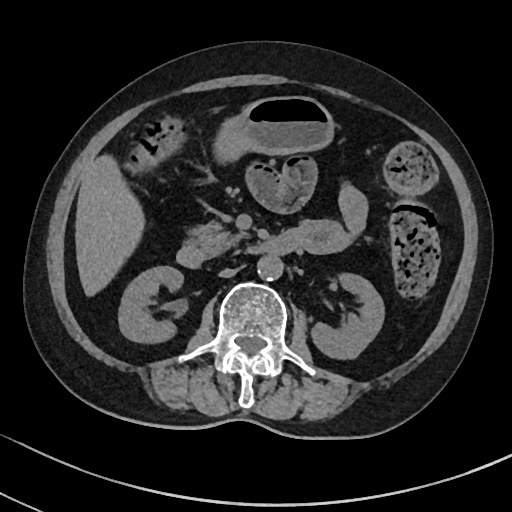
CT abdomen. axial view. soft-tissue window (W 400 / L 40). 512x512 px
One row per box, in pixels: columns x1 and y1 give the top-left corner, x2 and y2 the bottom-right.
| organ | x1 | y1 | x2 | y2 |
|---|---|---|---|---|
| aorta | 256 | 255 | 283 | 282 |
| pancreas | 190 | 220 | 243 | 256 |
| liver | 75 | 155 | 143 | 295 |
| left kidney | 310 | 274 | 384 | 360 |
| right kidney | 119 | 266 | 182 | 344 |
| inferior vena cava | 219 | 268 | 236 | 277 |
| stomach | 217 | 96 | 335 | 167 |
| duodenum | 176 | 232 | 296 | 266 |